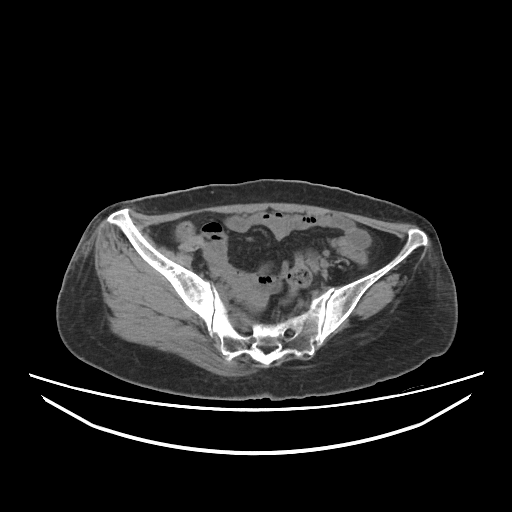

CT, abdomen/pelvis · axial view · 512x512 px
Box edges are left/top/right/bottom in pixels.
Organ bounding boxes:
- prostate/uterus: left=247, top=292, right=266, bottom=309